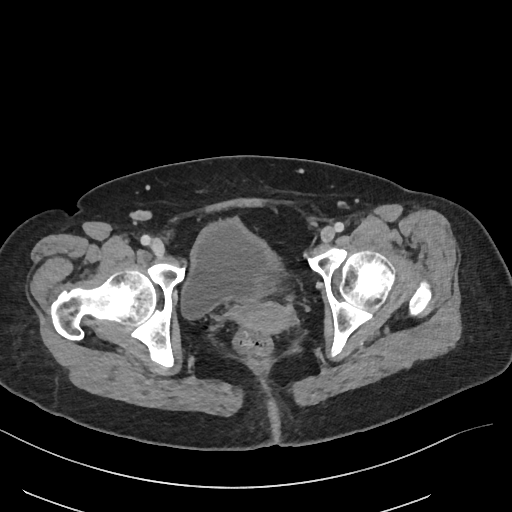 CT, abdomen/pelvis · axial plane, index 31 · W/L 400/40 HU
Bounding boxes in pixels, one row per box: x1, y1 is the top-left corner and x2, y2 the bottom-right.
| organ | x1 | y1 | x2 | y2 |
|---|---|---|---|---|
| bladder | 182 | 219 | 282 | 318 |
| prostate/uterus | 238 | 303 | 290 | 333 |